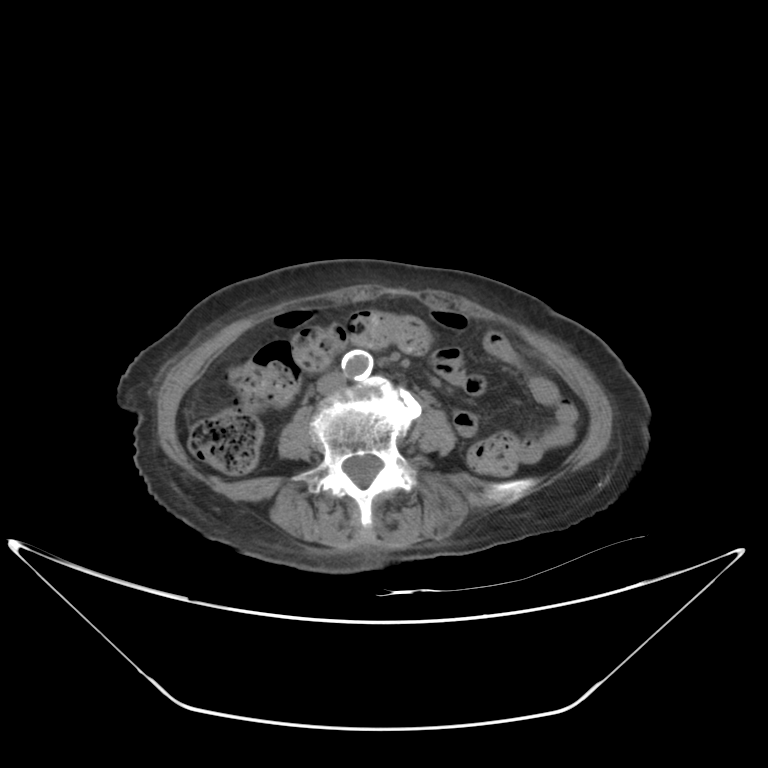

Computed tomography, abdomen · Axial slice 42/79 · W/L 400/40 HU · female patient aged 90 or older
<organs><organ name="aorta" x1="341" y1="349" x2="372" y2="380"/><organ name="inferior vena cava" x1="316" y1="372" x2="346" y2="394"/></organs>